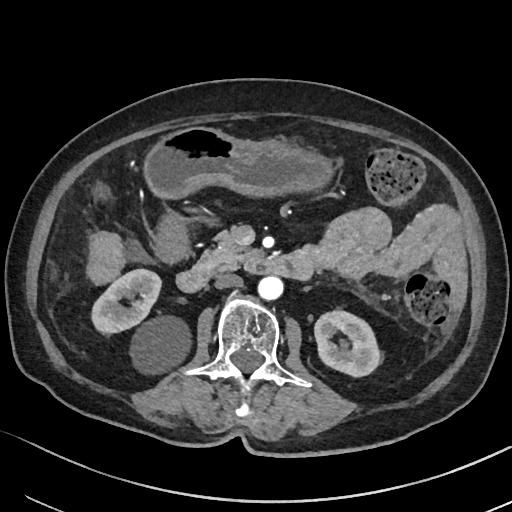

CT, abdomen/pelvis — axial view — abdomen soft-tissue window — acquired on SOMATOM Force
<organs><organ name="right kidney" x1="90" y1="269" x2="193" y2="375"/><organ name="left kidney" x1="314" y1="309" x2="379" y2="377"/><organ name="gall bladder" x1="92" y1="181" x2="108" y2="199"/><organ name="stomach" x1="146" y1="126" x2="334" y2="264"/><organ name="aorta" x1="256" y1="276" x2="282" y2="300"/><organ name="inferior vena cava" x1="214" y1="273" x2="242" y2="289"/><organ name="pancreas" x1="195" y1="226" x2="259" y2="276"/><organ name="duodenum" x1="177" y1="255" x2="312" y2="292"/></organs>